CT abdomen · axial view · 47-year-old male patient · acquired on Aquilion ONE
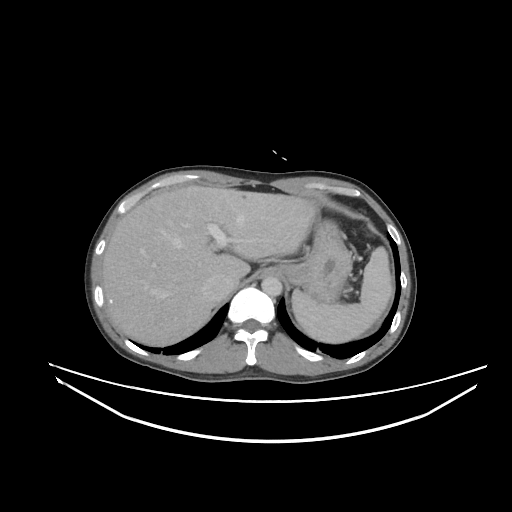 Organ boxes in pixel coordinates; each row gives the top-left (x1, y1) and bottom-right (x2, y2) corners.
| organ | x1 | y1 | x2 | y2 |
|---|---|---|---|---|
| spleen | 292 | 246 | 392 | 343 |
| liver | 102 | 185 | 316 | 346 |
| stomach | 275 | 219 | 352 | 303 |
| aorta | 261 | 276 | 282 | 296 |
| inferior vena cava | 203 | 275 | 236 | 298 |